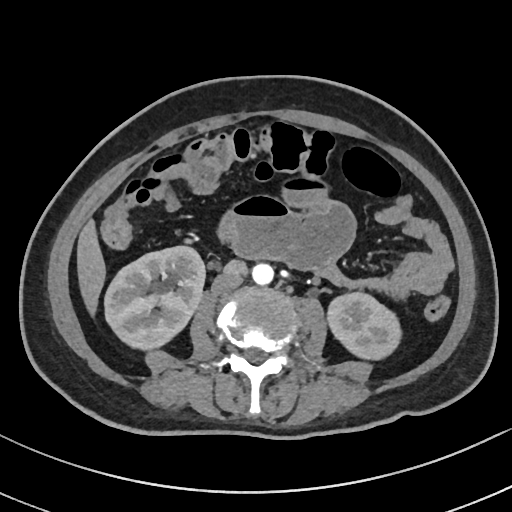

Abdominal CT — axial view — 512x512 px — 15 organs annotated in this scan (counted over the whole 3D scan, not this slice; an organ is boxed only where this slice passes through it)
Boxes: x1:y1:x2:y2 in pixels. The annotated organs in this slice are: right kidney at 105:246:204:347, left kidney at 328:294:402:360, liver at 77:222:105:310, aorta at 252:263:274:285, inferior vena cava at 212:274:244:294.